MRI, abdomen; axial view; 576x468 px
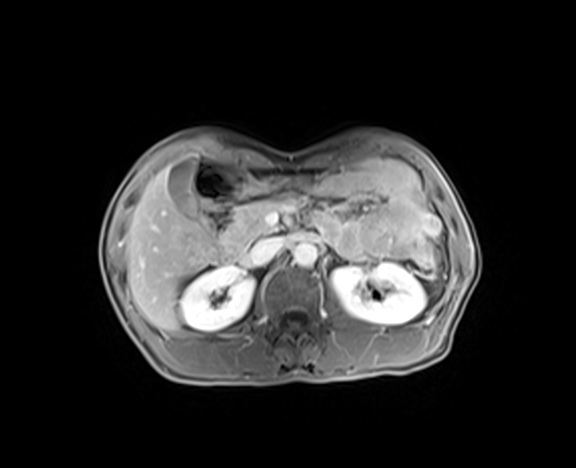 Coordinates as <box>x1,y1,x2,y2</box> in pixels.
right kidney: <box>179,267,254,331</box>
inferior vena cava: <box>247,237,284,265</box>
liver: <box>126,168,207,331</box>
pancreas: <box>223,198,331,255</box>
duodenum: <box>194,159,256,262</box>
aorta: <box>293,243,317,268</box>
stomach: <box>255,175,299,193</box>
left kidney: <box>331,263,426,325</box>
gall bladder: <box>168,158,195,214</box>